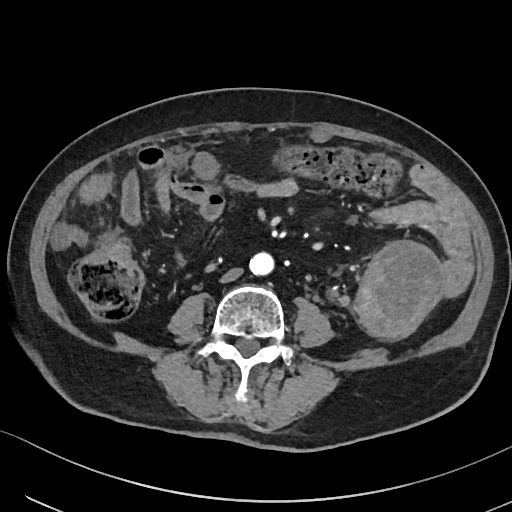 CT abdomen · axial view · 512x512 px · SOMATOM Force scanner · 15 organs annotated in this scan (a whole-scan count: organs this slice does not pass through have no box)
Bounding boxes in pixels, one row per box: x1, y1 is the top-left corner and x2, y2 the bottom-right.
| organ | x1 | y1 | x2 | y2 |
|---|---|---|---|---|
| aorta | 249 | 252 | 273 | 276 |
| inferior vena cava | 220 | 267 | 243 | 283 |